Abdominal CT; axial view
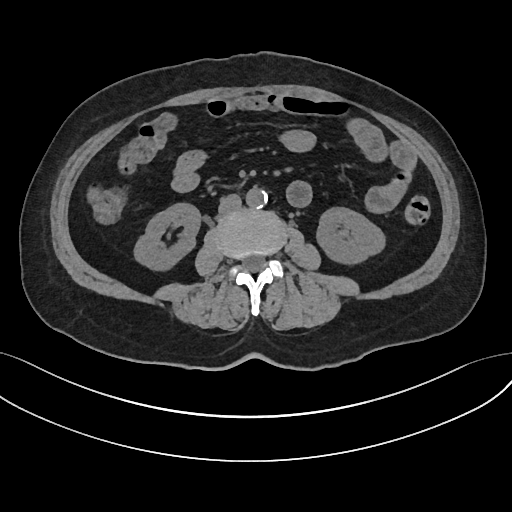

{"organs":{"right kidney":[135,203,200,268],"left kidney":[317,207,383,261],"aorta":[246,187,267,207],"inferior vena cava":[218,194,241,212]}}